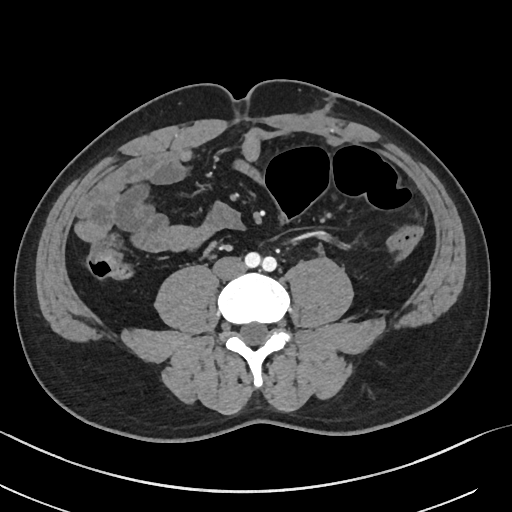 Computed tomography, abdomen; axial view
One row per box, in pixels: columns x1 and y1 give the top-left corner, x2 and y2 the bottom-right.
| organ | x1 | y1 | x2 | y2 |
|---|---|---|---|---|
| inferior vena cava | 213 | 256 | 246 | 280 |